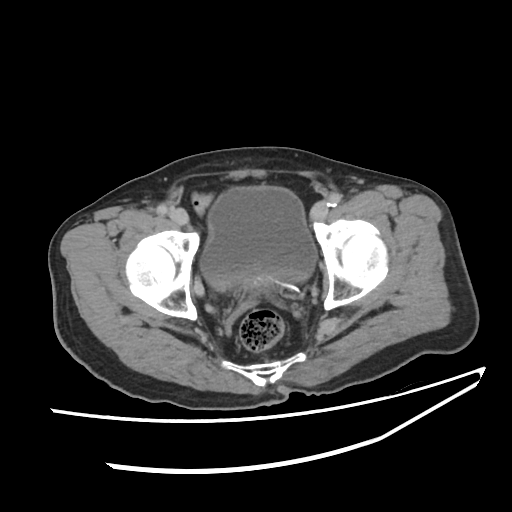

Abdominal CT — axial view — soft-tissue window (W 400 / L 40) — 15 organs annotated in this scan (counted over the whole 3D scan, not this slice; an organ is boxed only where this slice passes through it)
<organs><organ name="bladder" x1="200" y1="185" x2="315" y2="290"/></organs>